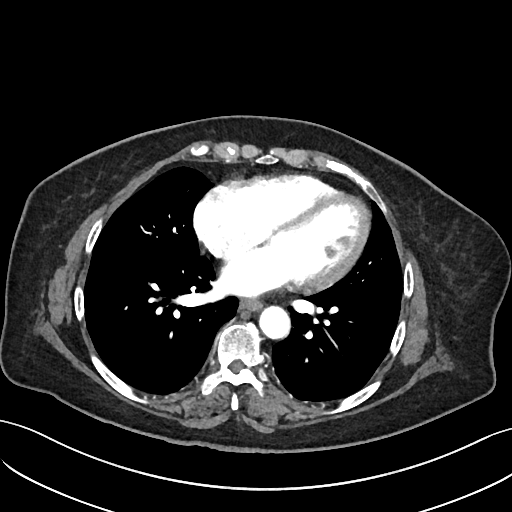

Abdominal CT; this slice is in the lower chest, just above the liver · axial plane, index 197
No part of the heart or lungs is labeled in this dataset, so neither has a box here.
Bounding boxes in pixels, one row per box: x1, y1 is the top-left corner and x2, y2 the bottom-right.
| organ | x1 | y1 | x2 | y2 |
|---|---|---|---|---|
| esophagus | 240 | 298 | 260 | 309 |
| aorta | 259 | 305 | 289 | 337 |